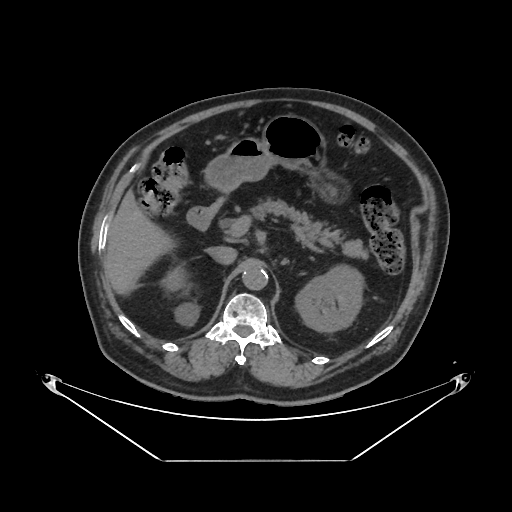
Abdominal CT; axial view; soft-tissue window (W 400 / L 40); 512x512 px
<organs><organ name="right kidney" x1="165" y1="266" x2="198" y2="324"/><organ name="left kidney" x1="295" y1="265" x2="362" y2="332"/><organ name="liver" x1="106" y1="190" x2="172" y2="295"/><organ name="stomach" x1="204" y1="114" x2="339" y2="198"/><organ name="aorta" x1="242" y1="264" x2="267" y2="290"/><organ name="inferior vena cava" x1="209" y1="247" x2="236" y2="264"/><organ name="pancreas" x1="252" y1="199" x2="368" y2="259"/><organ name="duodenum" x1="186" y1="194" x2="228" y2="230"/></organs>